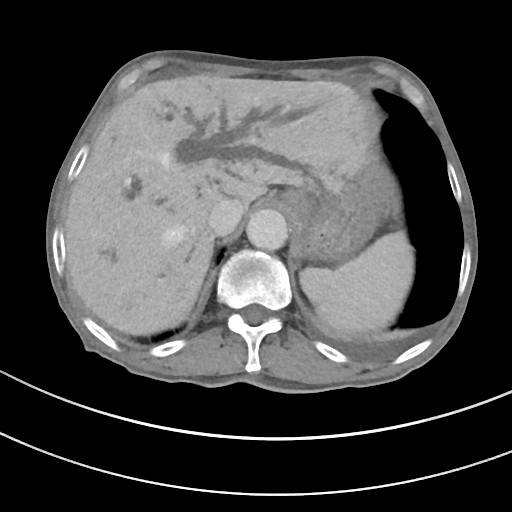

Computed tomography, abdomen · Axial slice 69/122 · soft-tissue window (W 400 / L 40)
{"organs":{"spleen":[299,231,413,332],"esophagus":[280,191,297,209],"liver":[66,75,377,334],"stomach":[291,173,392,260],"aorta":[246,209,287,250],"inferior vena cava":[208,198,244,235]}}